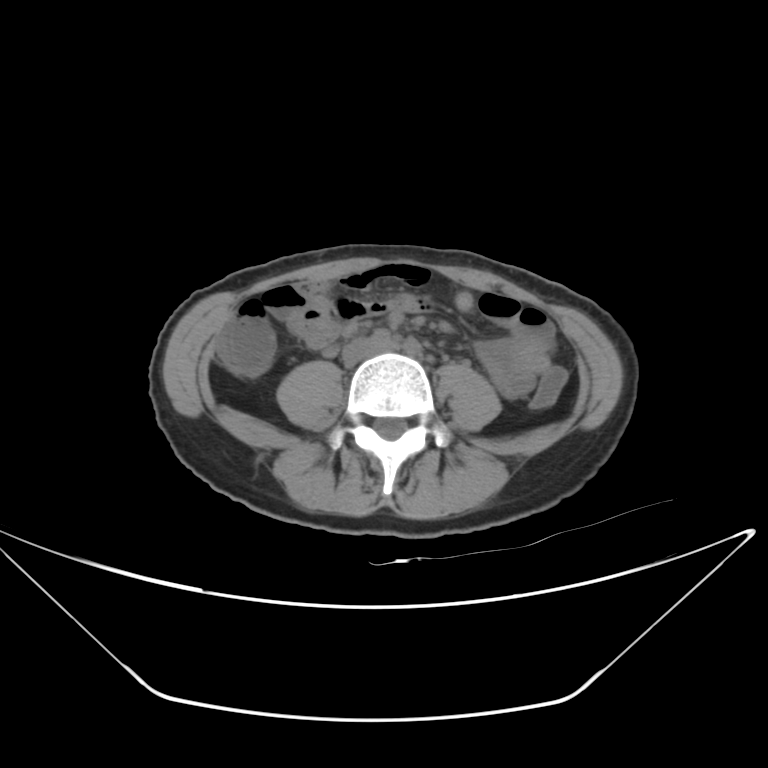
CT, abdomen/pelvis; axial view; 768x768 px; Brilliance16 scanner; 15 organs annotated in this scan (that count is for the whole scan; organs this slice misses have no box)
Boxes are (x1, y1, x2, y2) in pixels. Labeled organs on this slice: inferior vena cava at (342, 340, 380, 364).